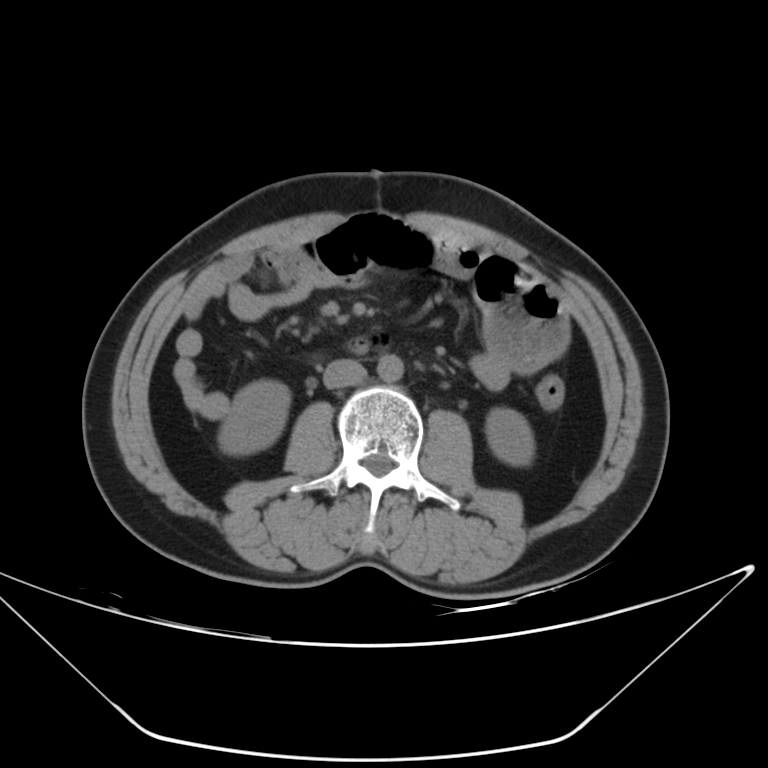 Computed tomography, abdomen; axial view; 15 organs annotated in this scan (that count is for the whole scan; organs this slice misses have no box)
<organs><organ name="left kidney" x1="486" y1="408" x2="534" y2="465"/><organ name="right kidney" x1="218" y1="380" x2="290" y2="454"/><organ name="aorta" x1="377" y1="354" x2="403" y2="382"/><organ name="inferior vena cava" x1="323" y1="359" x2="366" y2="388"/></organs>